CT, abdomen/pelvis · axial view · abdomen soft-tissue window
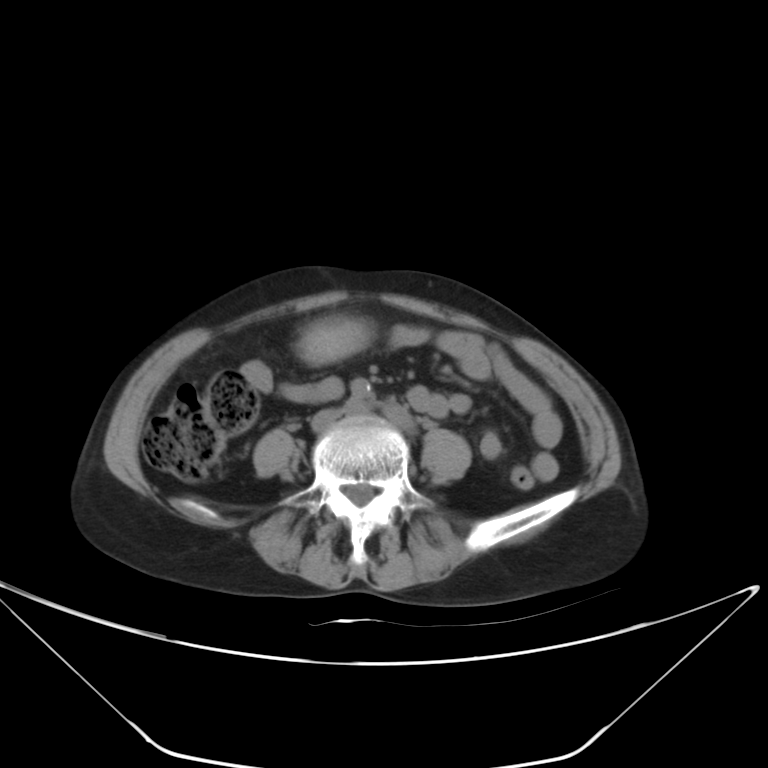 Boxes are (x1, y1, x2, y2) in pixels. The annotated organs in this slice are: stomach at (302, 320, 363, 362).